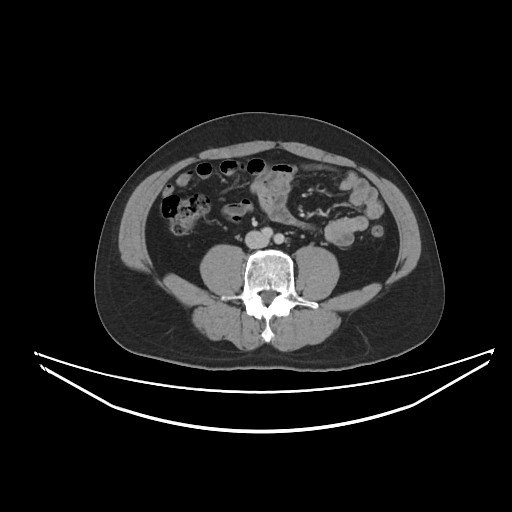

CT, abdomen/pelvis — axial view — soft-tissue window (W 400 / L 40) — 40-year-old male patient — scan has 15 labeled organs (a whole-scan count: organs this slice does not pass through have no box)
<organs><organ name="inferior vena cava" x1="245" y1="230" x2="268" y2="248"/></organs>